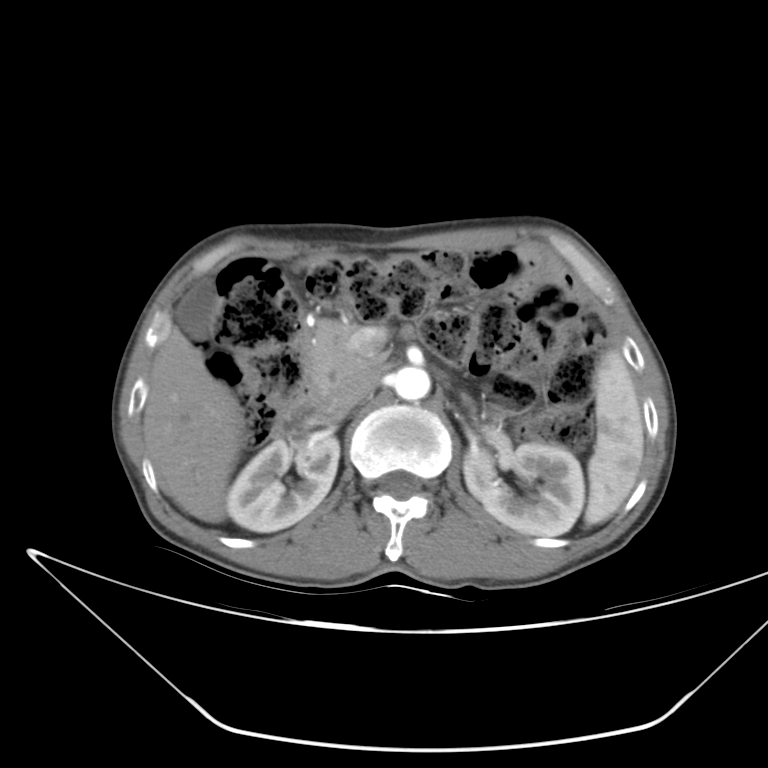

CT, abdomen/pelvis; axial view; W/L 400/40 HU; acquired on Brilliance16
Bounding boxes as [x1, y1, x2, y2] in pixel coordinates.
spleen: [584, 350, 644, 525]
right kidney: [226, 432, 339, 532]
left kidney: [463, 442, 584, 536]
gall bladder: [177, 277, 217, 339]
liver: [142, 256, 328, 522]
aorta: [392, 366, 430, 401]
inferior vena cava: [329, 371, 377, 417]
pancreas: [307, 320, 377, 402]
duodenum: [273, 347, 330, 436]